Chest-level slice from an abdominal CT that extends up into the chest; axial view; soft-tissue window, W/L 400/40; 52-year-old male patient
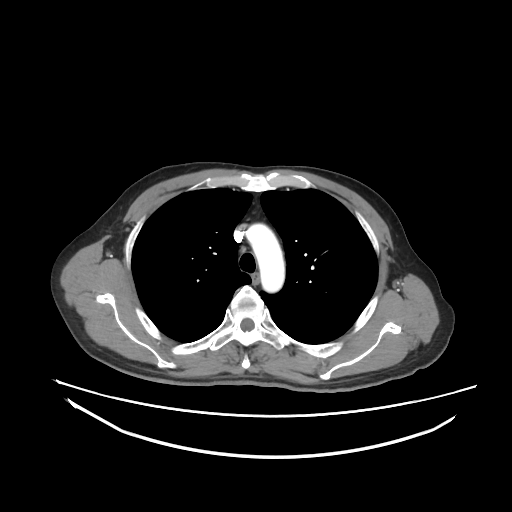 At this level of the chest no structure but the esophagus and the aorta has a label in this dataset, and those two are boxed only where they are labeled. Each box given as x1,y1,x2,y2. The annotated organs in this slice are: aorta at x1=246, y1=223, x2=284, y2=292, esophagus at x1=251, y1=272, x2=260, y2=285.